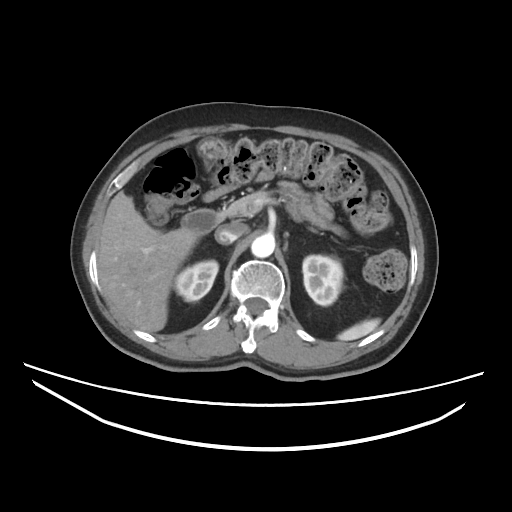
Abdominal CT; Axial slice 68/124; 512x512 px
<organs><organ name="spleen" x1="337" y1="318" x2="380" y2="340"/><organ name="right kidney" x1="175" y1="260" x2="218" y2="301"/><organ name="left kidney" x1="302" y1="255" x2="343" y2="305"/><organ name="liver" x1="98" y1="191" x2="198" y2="331"/><organ name="aorta" x1="251" y1="234" x2="274" y2="257"/><organ name="inferior vena cava" x1="215" y1="221" x2="247" y2="244"/><organ name="pancreas" x1="221" y1="189" x2="272" y2="217"/><organ name="duodenum" x1="181" y1="209" x2="224" y2="236"/></organs>